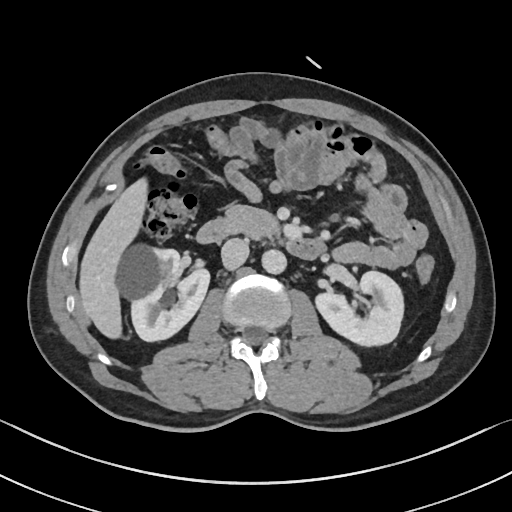 Abdominal CT. axial view. abdomen soft-tissue window. acquired on SOMATOM Force
{"organs":{"right kidney":[116,242,208,340],"liver":[80,182,144,336],"duodenum":[196,219,324,258],"aorta":[261,248,286,273],"inferior vena cava":[221,238,248,268],"left kidney":[317,271,404,345],"pancreas":[224,205,277,237]}}